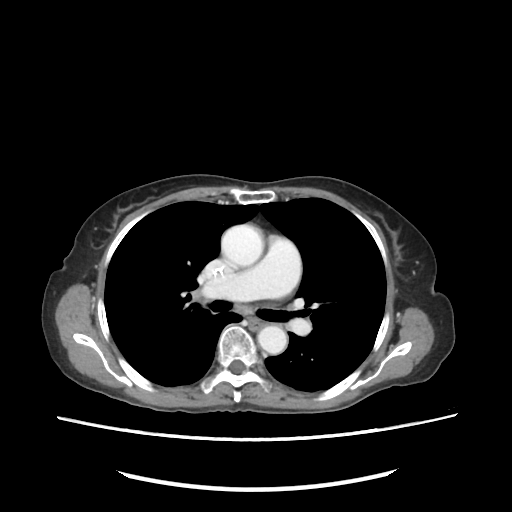

Chest-level CT slice, above the liver and spleen; axial view
At this level of the chest no structure but the esophagus and the aorta has a label in this dataset, and those two are boxed only where they are labeled.
<organs><organ name="aorta" x1="222" y1="225" x2="264" y2="266"/><organ name="aorta" x1="257" y1="324" x2="286" y2="354"/></organs>